Abdominal CT · axial view · 512x512 px
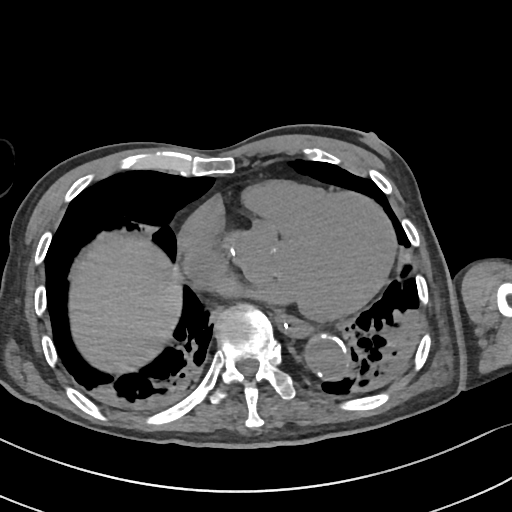 <organs><organ name="liver" x1="69" y1="233" x2="182" y2="373"/><organ name="aorta" x1="305" y1="335" x2="347" y2="377"/><organ name="esophagus" x1="275" y1="311" x2="309" y2="336"/></organs>